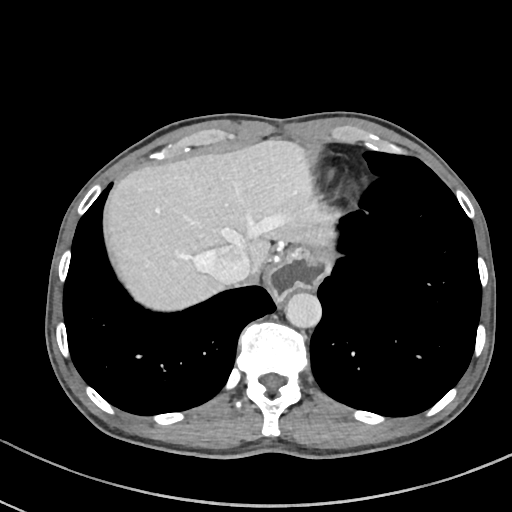 CT abdomen; Axial slice 187/306; 512x512 px; 15 organs annotated in this scan (a whole-scan count: organs this slice does not pass through have no box)
Coordinates as <box>x1,y1,x2,y2</box> in pixels.
liver: <box>108,140,334,310</box>
stomach: <box>270,245,326,299</box>
aorta: <box>285,292,321,328</box>
inferior vena cava: <box>205,245,251,284</box>